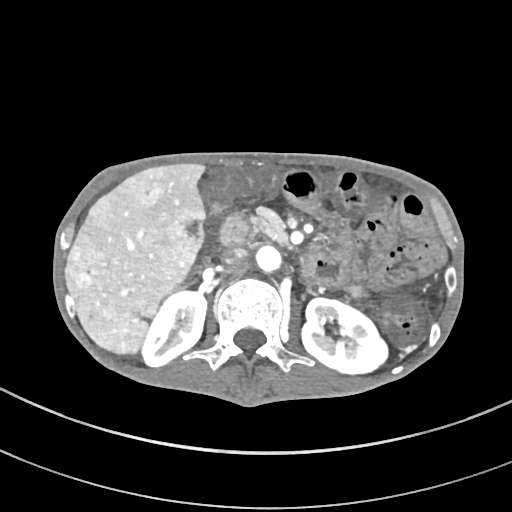

CT, abdomen/pelvis. axial view. W/L 400/40 HU
<organs><organ name="right kidney" x1="142" y1="290" x2="206" y2="366"/><organ name="left kidney" x1="301" y1="297" x2="387" y2="374"/><organ name="gall bladder" x1="217" y1="174" x2="238" y2="193"/><organ name="liver" x1="65" y1="163" x2="205" y2="354"/><organ name="aorta" x1="255" y1="245" x2="286" y2="273"/><organ name="inferior vena cava" x1="222" y1="247" x2="247" y2="264"/><organ name="pancreas" x1="252" y1="207" x2="288" y2="245"/><organ name="duodenum" x1="220" y1="213" x2="349" y2="288"/></organs>